CT abdomen — axial plane, index 75 — soft-tissue window
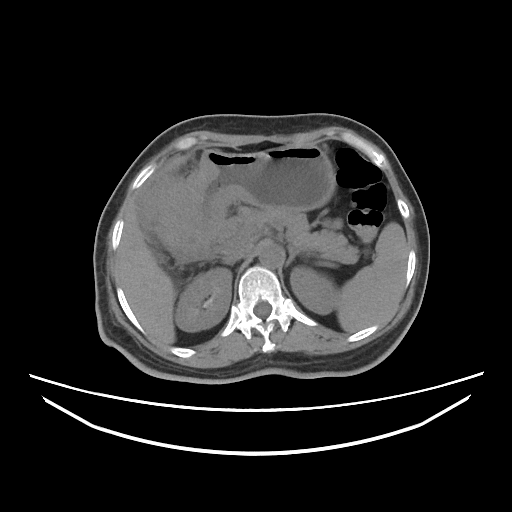 Box edges are left/top/right/bottom in pixels. 10 labeled organs on this slice — spleen at left=336, top=222, right=408, bottom=332; right kidney at left=175, top=267, right=231, bottom=331; left kidney at left=290, top=267, right=337, bottom=314; liver at left=116, top=155, right=188, bottom=344; stomach at left=143, top=145, right=335, bottom=245; aorta at left=257, top=240, right=283, bottom=268; inferior vena cava at left=222, top=245, right=252, bottom=264; pancreas at left=237, top=206, right=358, bottom=263; left adrenal gland at left=285, top=247, right=299, bottom=266; duodenum at left=171, top=243, right=216, bottom=262.